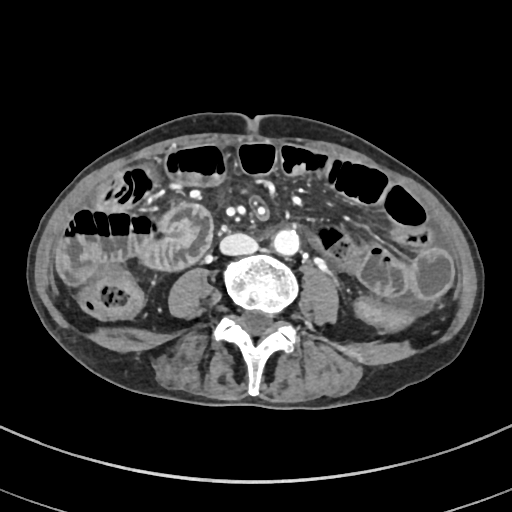 Computed tomography, abdomen · axial plane, index 88 · soft-tissue window (W 400 / L 40)
Each box given as x1,y1,x2,y2.
inferior vena cava: x1=220, y1=233, x2=258, y2=255
aorta: x1=272, y1=229, x2=299, y2=255